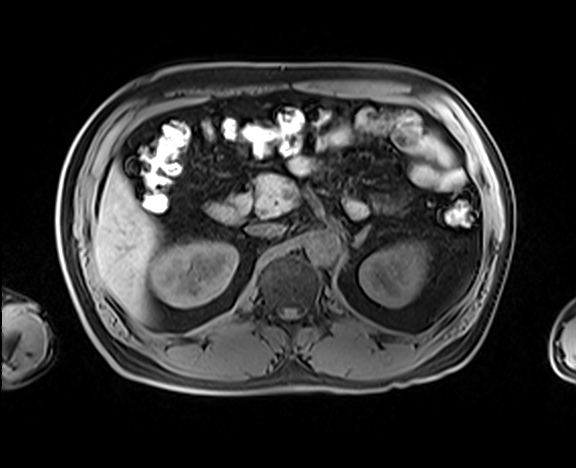

Abdominal MR. axial view. percentile-normalized. 13 organs annotated in this scan (a whole-scan count: organs this slice does not pass through have no box)
Organ boxes in pixel coordinates; each row gives the top-left (x1, y1) and bottom-right (x2, y2) corners.
| organ | x1 | y1 | x2 | y2 |
|---|---|---|---|---|
| right kidney | 151 | 240 | 238 | 307 |
| left kidney | 359 | 241 | 427 | 307 |
| liver | 92 | 164 | 159 | 320 |
| aorta | 304 | 231 | 339 | 263 |
| inferior vena cava | 248 | 223 | 285 | 236 |
| pancreas | 253 | 174 | 293 | 215 |
| left adrenal gland | 354 | 225 | 369 | 247 |
| duodenum | 208 | 182 | 253 | 223 |